Computed tomography, abdomen — axial view — W/L 400/40 HU — 768x768 px — 34-year-old female patient
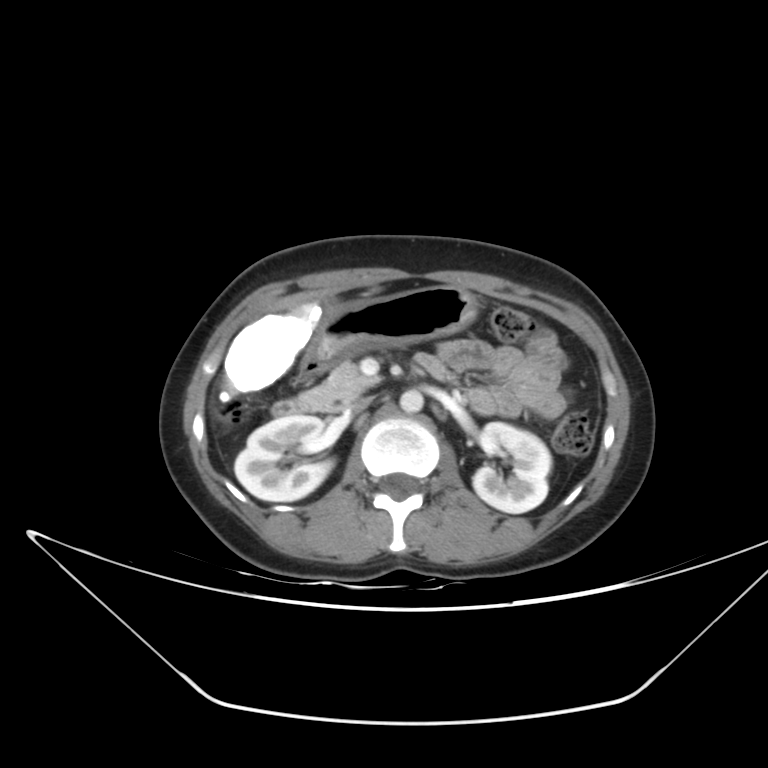

Boxes are (x1, y1, x2, y2) in pixels.
right kidney: (234, 415, 332, 501)
left kidney: (473, 422, 551, 513)
liver: (223, 299, 324, 393)
stomach: (310, 285, 477, 361)
aorta: (399, 389, 423, 413)
inferior vena cava: (346, 397, 371, 413)
pancreas: (297, 361, 376, 411)
duodenum: (271, 345, 452, 416)